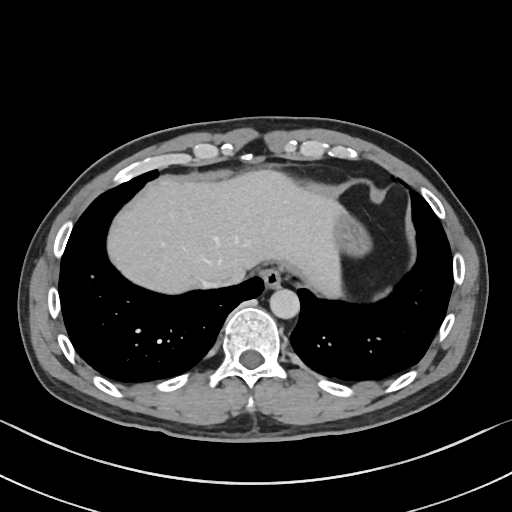

Abdominal CT. axial view. abdomen soft-tissue window. 512x512 px
<organs><organ name="esophagus" x1="260" y1="268" x2="282" y2="288"/><organ name="liver" x1="107" y1="169" x2="342" y2="296"/><organ name="stomach" x1="334" y1="209" x2="371" y2="257"/><organ name="aorta" x1="270" y1="289" x2="299" y2="319"/><organ name="inferior vena cava" x1="204" y1="279" x2="227" y2="286"/></organs>